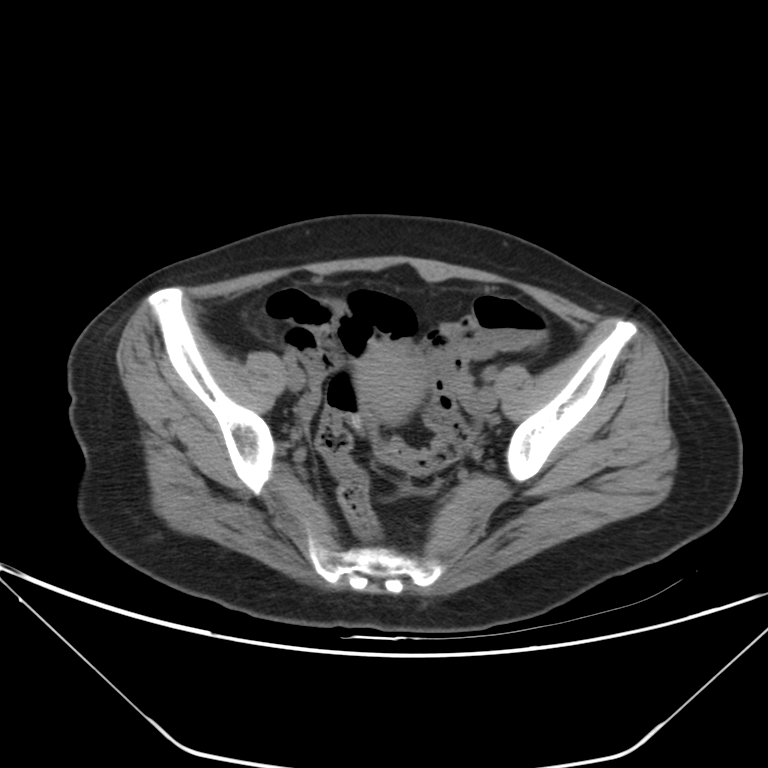 CT, abdomen/pelvis · Axial slice 19/90 · 768x768 px · scan has 15 labeled organs (that count is for the whole scan; organs this slice misses have no box)
Box edges are left/top/right/bottom in pixels. 1 labeled organ on this slice — prostate/uterus at left=354, top=342, right=427, bottom=422.